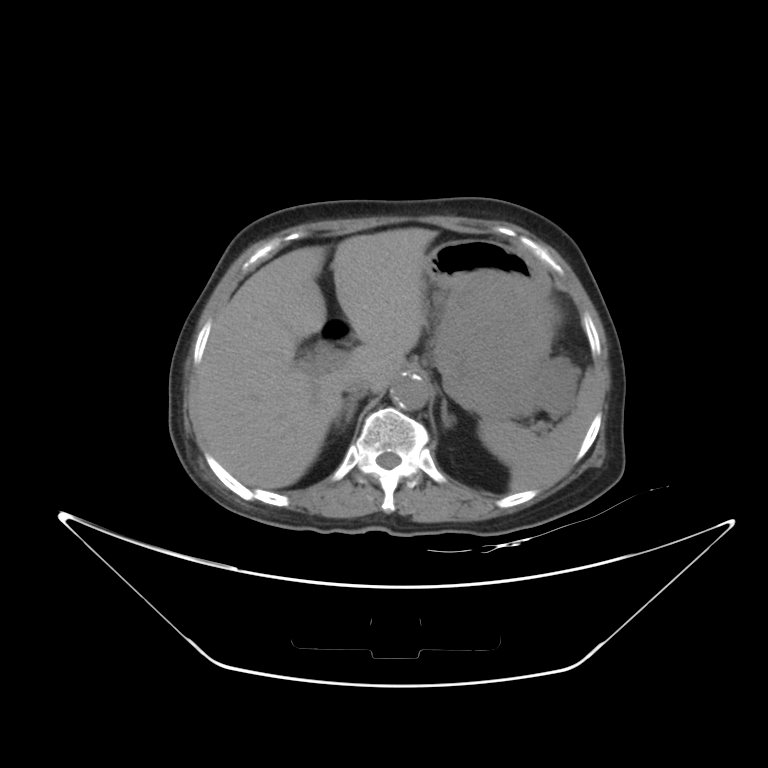

Computed tomography, abdomen. axial plane, index 72. soft-tissue window
Each box given as x1,y1,x2,y2.
aorta: x1=390, y1=376, x2=429, y2=410
liver: x1=194, y1=227, x2=437, y2=489
inferior vena cava: x1=343, y1=372, x2=372, y2=395
stomach: x1=424, y1=240, x2=575, y2=418
spleen: x1=477, y1=373, x2=596, y2=490
left adrenal gland: x1=442, y1=400, x2=455, y2=427
right adrenal gland: x1=335, y1=394, x2=363, y2=429
duodenum: x1=324, y1=327, x2=343, y2=340